CT, abdomen/pelvis. Axial slice 76/93. 768x768 px. 51-year-old male patient. scan has 15 labeled organs (that count is for the whole scan; organs this slice misses have no box)
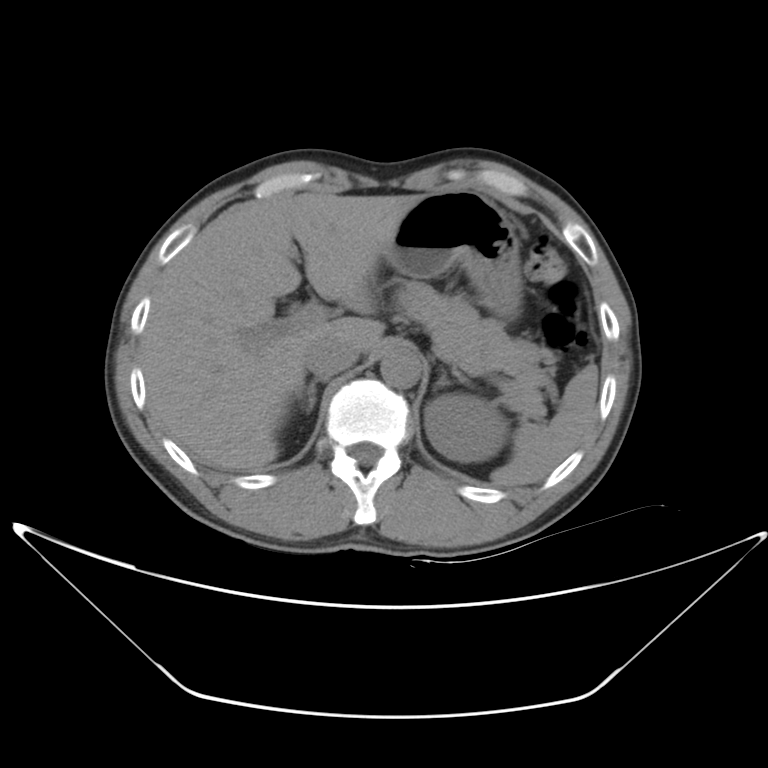 <organs><organ name="left kidney" x1="423" y1="393" x2="505" y2="462"/><organ name="stomach" x1="384" y1="192" x2="523" y2="315"/><organ name="liver" x1="143" y1="192" x2="424" y2="468"/><organ name="aorta" x1="379" y1="346" x2="421" y2="388"/><organ name="pancreas" x1="402" y1="278" x2="554" y2="421"/><organ name="right adrenal gland" x1="297" y1="379" x2="318" y2="407"/><organ name="inferior vena cava" x1="303" y1="338" x2="355" y2="378"/><organ name="left adrenal gland" x1="438" y1="368" x2="459" y2="383"/><organ name="spleen" x1="433" y1="365" x2="597" y2="486"/></organs>